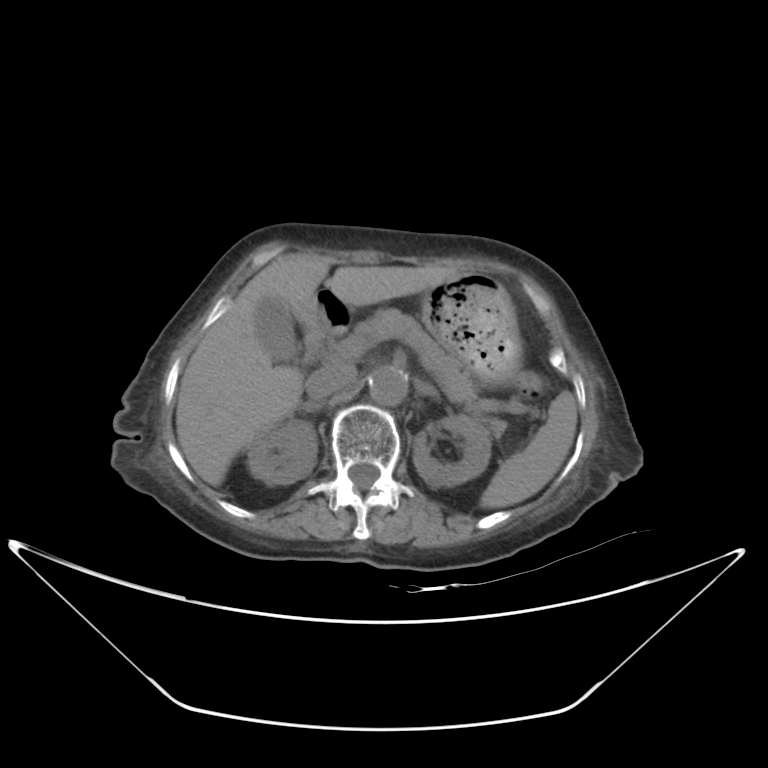 CT abdomen; axial plane, index 58; female patient aged 90 or older; scan has 15 labeled organs (that count is for the whole scan; organs this slice misses have no box)
Box edges are left/top/right/bottom in pixels. 12 labeled organs on this slice — right adrenal gland at left=300, top=401, right=324, bottom=412; aorta at left=369, top=366, right=406, bottom=404; gall bladder at left=254, top=297, right=298, bottom=362; left kidney at left=413, top=414, right=489, bottom=487; right kidney at left=247, top=420, right=317, bottom=485; duodenum at left=303, top=287, right=350, bottom=353; liver at left=175, top=253, right=458, bottom=485; pancreas at left=349, top=308, right=503, bottom=431; left adrenal gland at left=413, top=381, right=440, bottom=401; spleen at left=481, top=391, right=576, bottom=509; stomach at left=293, top=272, right=523, bottom=386; inferior vena cava at left=307, top=365, right=355, bottom=398.